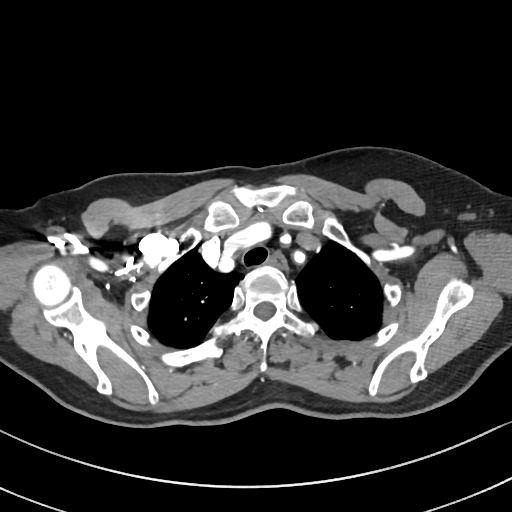
Chest-level CT slice, above the liver and spleen; axial view
On a slice this high in the chest, this dataset labels only the esophagus and the aorta, and each is boxed only where it is labeled; the heart, lungs and other chest structures are not labeled.
{"organs":{"esophagus":[265,252,286,268]}}